CT abdomen — axial view — SOMATOM Force scanner
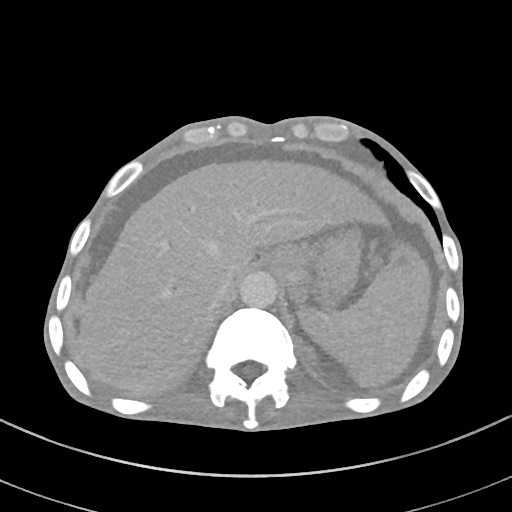

{"organs":{"spleen":[298,243,431,385],"liver":[80,160,386,395],"stomach":[266,230,360,302],"aorta":[239,271,277,307],"inferior vena cava":[218,278,233,296]}}